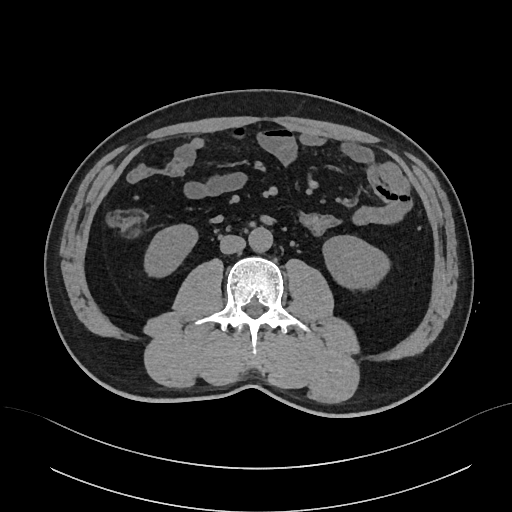

CT abdomen; axial view; 512x512 px; scan has 15 labeled organs (counted over the whole 3D scan, not this slice; an organ is boxed only where this slice passes through it)
Box edges are left/top/right/bottom in pixels.
Organ bounding boxes:
- inferior vena cava: left=219, top=235, right=245, bottom=254
- right kidney: left=146, top=225, right=196, bottom=274
- aorta: left=248, top=227, right=272, bottom=251
- left kidney: left=324, top=235, right=388, bottom=287